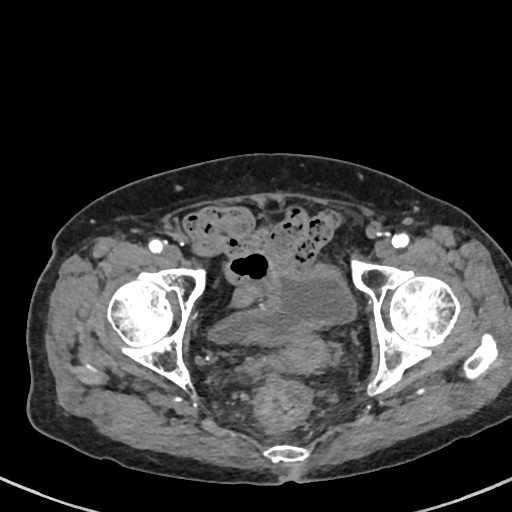
CT abdomen. axial plane, index 33. 512x512 px
{"organs":{"bladder":[209,266,356,343],"prostate/uterus":[273,334,328,373]}}